CT abdomen; axial plane, index 19; abdomen soft-tissue window; 512x512 px; SOMATOM Force scanner
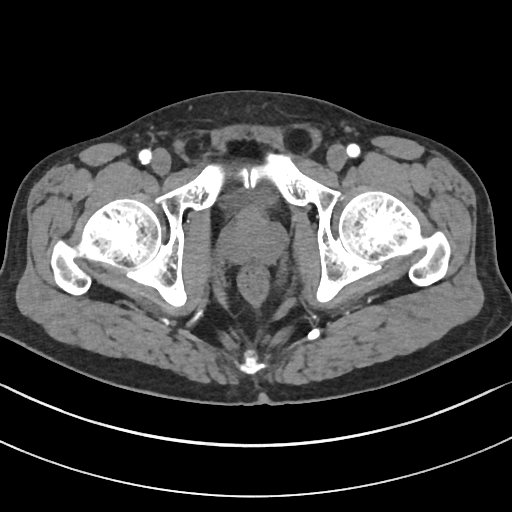
Bounding boxes as [x1, y1, x2, y2] in pixel coordinates.
bladder: [225, 186, 274, 208]
prostate/uterus: [223, 210, 283, 262]